CT, abdomen/pelvis · axial view · soft-tissue window (W 400 / L 40) · acquired on Aquilion ONE · scan has 15 labeled organs (a whole-scan count: organs this slice does not pass through have no box)
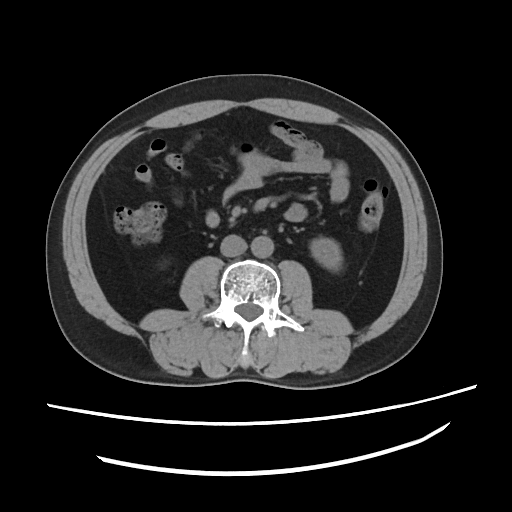
Boxes are (x1, y1, x2, y2) in pixels.
Organ bounding boxes:
- inferior vena cava: (220, 234, 246, 256)
- aorta: (253, 236, 276, 258)
- left kidney: (310, 238, 342, 270)